Computed tomography, abdomen — axial view — 512x512 px — 15 organs annotated in this scan (a whole-scan count: organs this slice does not pass through have no box)
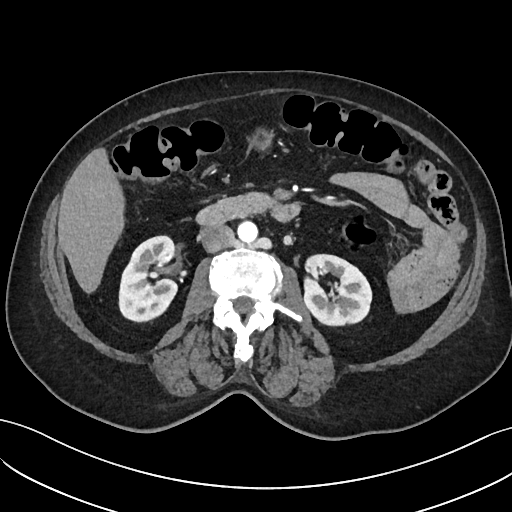
{"organs":{"right kidney":[119,236,176,321],"left kidney":[304,254,371,325],"liver":[57,148,124,293],"stomach":[250,129,272,151],"aorta":[237,221,257,242],"inferior vena cava":[201,225,234,252],"pancreas":[212,193,274,217],"duodenum":[196,201,299,226]}}